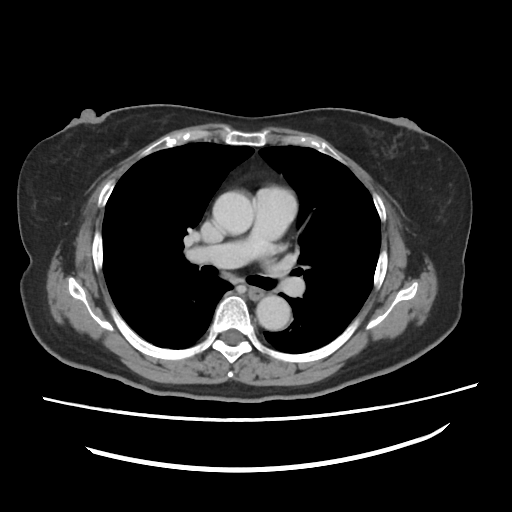

Chest-level CT slice, above the liver and spleen — axial view — W/L 400/40 HU
At this level of the chest no structure but the esophagus and the aorta has a label in this dataset, and those two are boxed only where they are labeled.
Organ boxes in pixel coordinates; each row gives the top-left (x1, y1) and bottom-right (x2, y2) corners.
| organ | x1 | y1 | x2 | y2 |
|---|---|---|---|---|
| esophagus | 246 | 286 | 263 | 300 |
| aorta | 212 | 193 | 253 | 235 |
| aorta | 254 | 295 | 291 | 330 |